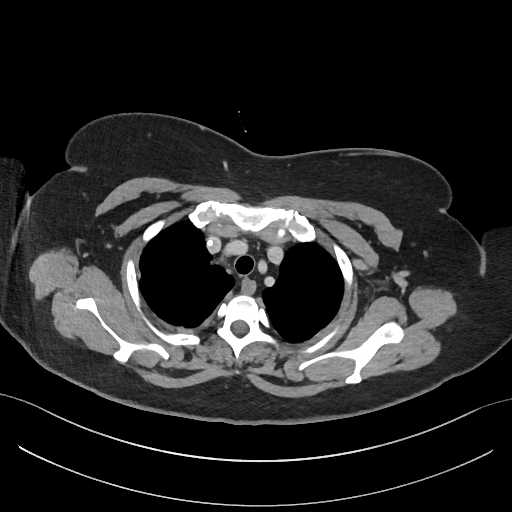

Chest-level CT slice, above the liver and spleen · axial view · 512x512 px · scan has 15 labeled organs (a whole-scan count: organs this slice does not pass through have no box)
At this level of the chest no structure but the esophagus and the aorta has a label in this dataset, and those two are boxed only where they are labeled. Box edges are left/top/right/bottom in pixels. The annotated organs in this slice are: esophagus at left=241, top=281, right=255, bottom=295.